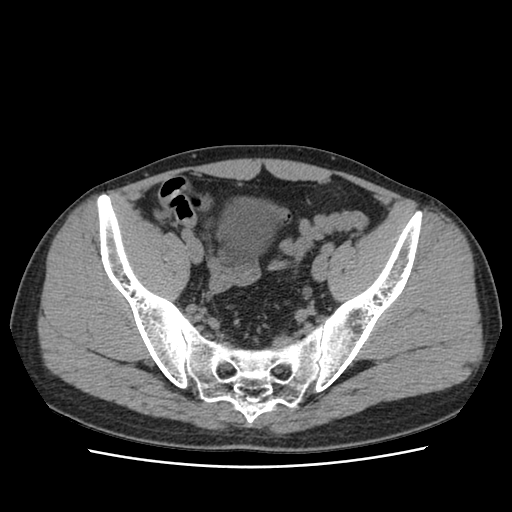 CT abdomen. Axial slice 51/167. 15 organs annotated in this scan (that count is for the whole scan; organs this slice misses have no box)
Box edges are left/top/right/bottom in pixels.
Organ bounding boxes:
- bladder: left=221, top=199, right=274, bottom=258